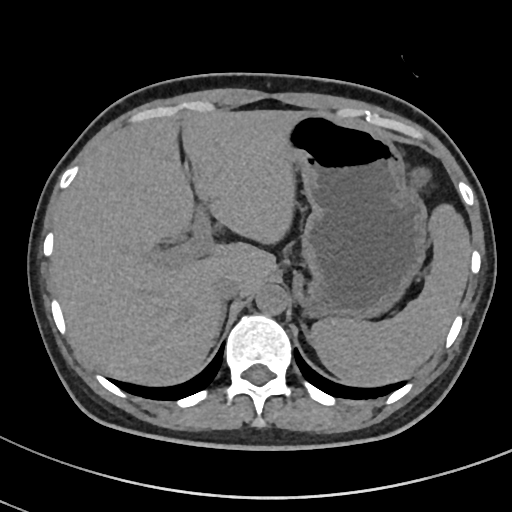

CT, abdomen/pelvis; axial view; W/L 400/40 HU; 512x512 px
{"organs":{"spleen":[310,204,470,385],"liver":[52,110,303,385],"stomach":[287,112,427,318],"aorta":[256,284,288,315],"inferior vena cava":[212,274,243,300],"left adrenal gland":[300,324,310,339]}}